CT, abdomen/pelvis; axial view; 15 organs annotated in this scan (counted over the whole 3D scan, not this slice; an organ is boxed only where this slice passes through it)
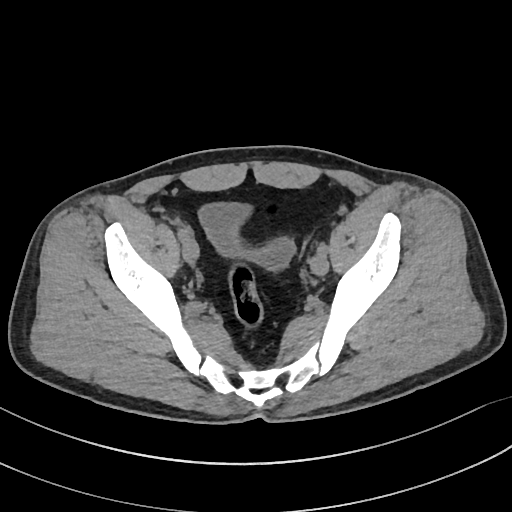

Box edges are left/top/right/bottom in pixels. The annotated organs in this slice are: bladder at left=199, top=203, right=295, bottom=269.